Abdominal CT reaching into the chest; this slice is in the chest; axial view; soft-tissue window; 512x512 px; Aquilion ONE scanner
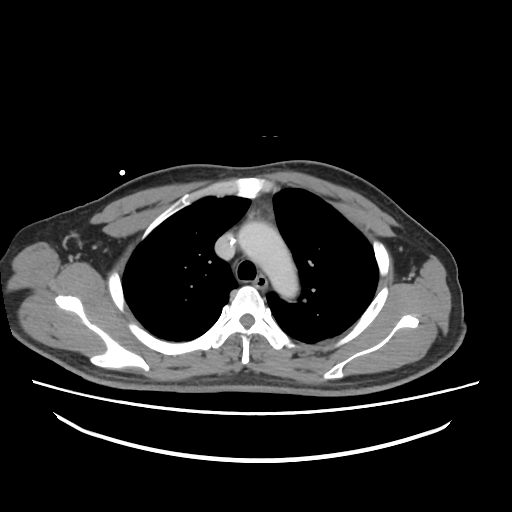

At this level of the chest this dataset labels only the esophagus and the aorta, and each is boxed only where it is labeled; the heart and lungs are never labeled.
Organ boxes in pixel coordinates; each row gives the top-left (x1, y1) and bottom-right (x2, y2) corners.
| organ | x1 | y1 | x2 | y2 |
|---|---|---|---|---|
| esophagus | 253 | 276 | 266 | 287 |
| aorta | 238 | 221 | 298 | 299 |